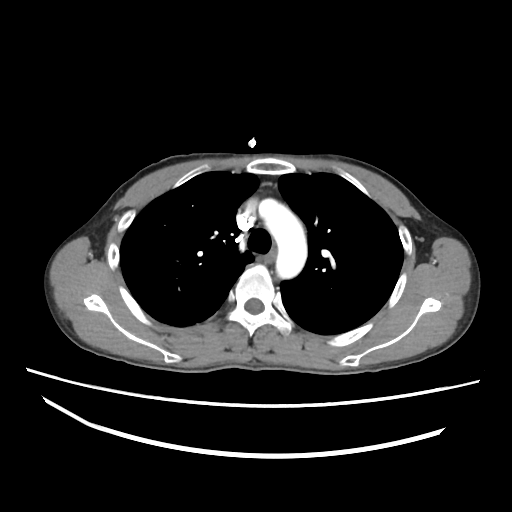
Chest-level CT slice, above the liver and spleen. axial view. soft-tissue window, W/L 400/40. acquired on Aquilion ONE
On a slice this high in the chest, this dataset labels only the esophagus and the aorta, and each is boxed only where it is labeled; the heart, lungs and other chest structures are not labeled.
<organs><organ name="aorta" x1="259" y1="198" x2="307" y2="278"/></organs>